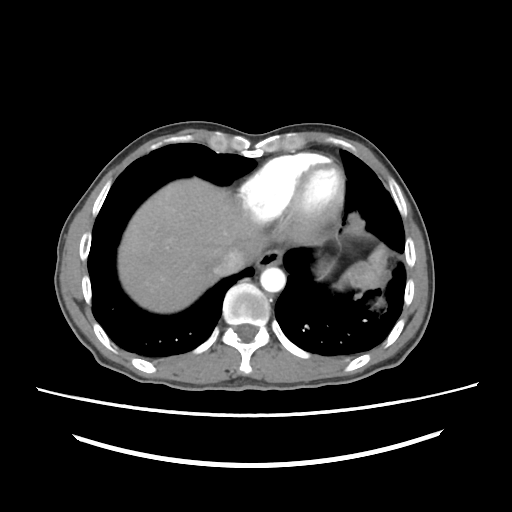 CT abdomen · axial plane, index 46 · 512x512 px · acquired on Aquilion ONE
{"organs":{"spleen":[333,244,387,289],"esophagus":[257,248,282,268],"stomach":[318,259,332,277],"inferior vena cava":[215,248,259,276],"liver":[118,177,270,314],"aorta":[260,267,286,291]}}